Abdominal CT — axial view — W/L 400/40 HU — acquired on SOMATOM Force — 15 organs annotated in this scan (a whole-scan count: organs this slice does not pass through have no box)
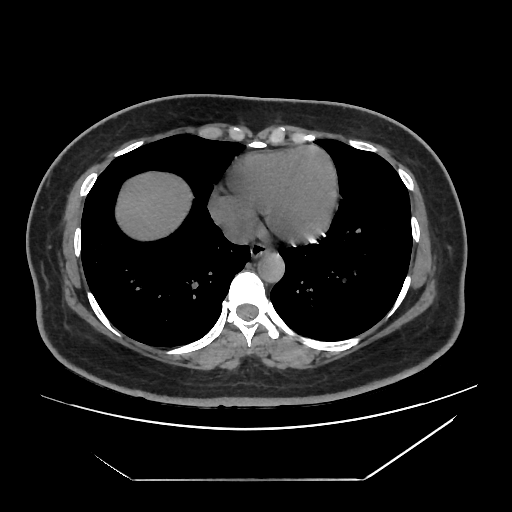
Box edges are left/top/right/bottom in pixels.
liver: left=115, top=172, right=191, bottom=240
esophagus: left=250, top=243, right=270, bottom=258
inferior vena cava: left=223, top=222, right=252, bottom=244
aorta: left=257, top=252, right=284, bottom=282